CT, abdomen/pelvis. axial view. soft-tissue window. 512x512 px. scan has 15 labeled organs (that count is for the whole scan; organs this slice misses have no box)
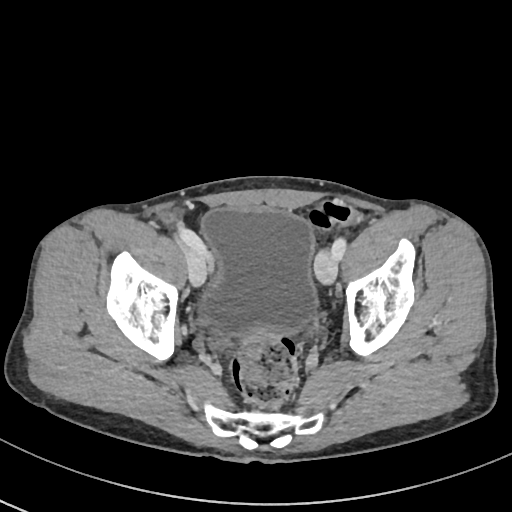
{"organs":{"bladder":[201,207,317,336]}}